Abdominal CT · axial view · soft-tissue window · 52-year-old female patient · 14 organs annotated in this scan (counted over the whole 3D scan, not this slice; an organ is boxed only where this slice passes through it)
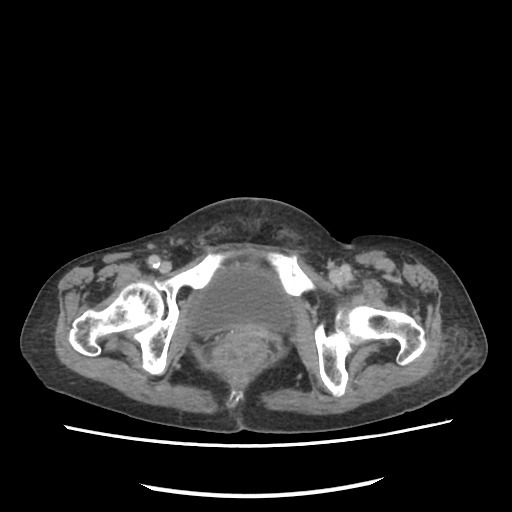
Bounding boxes in pixels, one row per box: x1, y1 is the top-left corner and x2, y2 the bottom-right.
| organ | x1 | y1 | x2 | y2 |
|---|---|---|---|---|
| bladder | 190 | 265 | 291 | 333 |